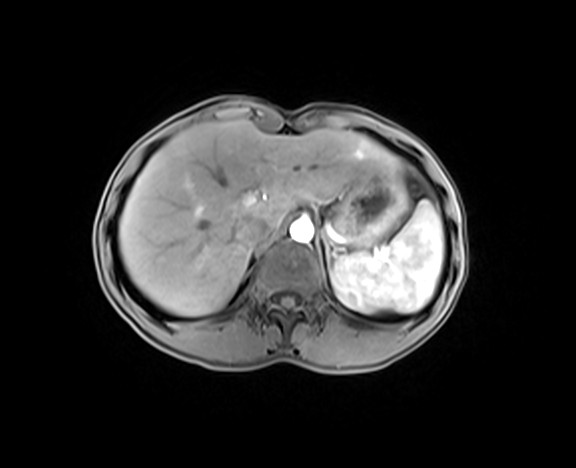 Abdominal MRI · axial plane, index 49
One row per box, in pixels: columns x1 and y1 give the top-left corner, x2 and y2 the bottom-right.
| organ | x1 | y1 | x2 | y2 |
|---|---|---|---|---|
| spleen | 337 | 200 | 443 | 312 |
| left kidney | 332 | 264 | 378 | 312 |
| liver | 119 | 120 | 403 | 316 |
| stomach | 337 | 172 | 409 | 248 |
| aorta | 290 | 218 | 313 | 242 |
| inferior vena cava | 233 | 219 | 269 | 248 |
| left adrenal gland | 321 | 235 | 335 | 260 |